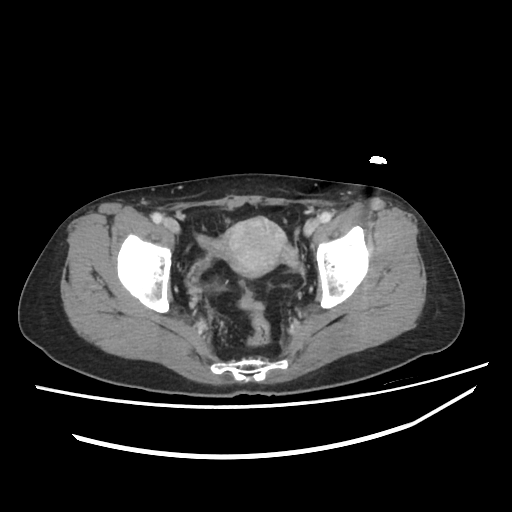
Computed tomography, abdomen. axial plane, index 17. 54-year-old female patient
{"organs":{"prostate/uterus":[219,217,287,276]}}